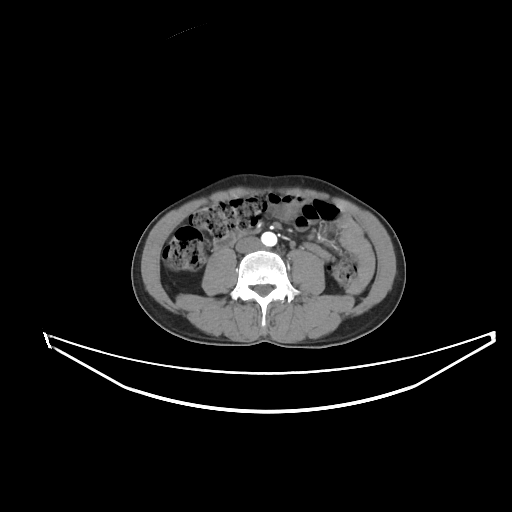

CT abdomen; Axial slice 48/134; acquired on Aquilion ONE; 15 organs annotated in this scan (counted over the whole 3D scan, not this slice; an organ is boxed only where this slice passes through it)
Boxes: x1 y1 x2 y2 (pixel coords, space-separated).
Organ bounding boxes:
- aorta: 261 231 277 246
- inferior vena cava: 235 236 260 252
- duodenum: 213 229 259 249